CT, abdomen/pelvis; axial plane, index 20; 15 organs annotated in this scan (counted over the whole 3D scan, not this slice; an organ is boxed only where this slice passes through it)
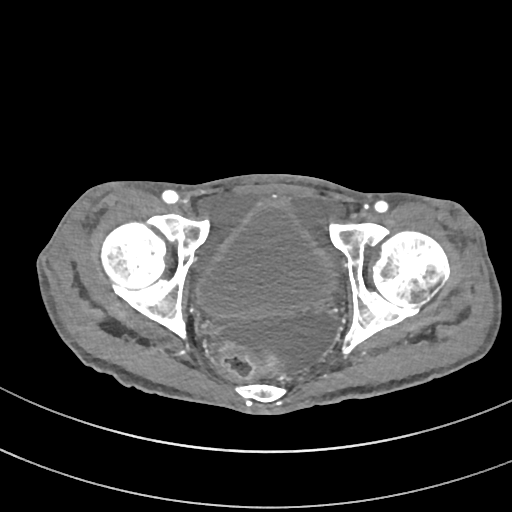
<organs><organ name="bladder" x1="195" y1="198" x2="334" y2="319"/></organs>